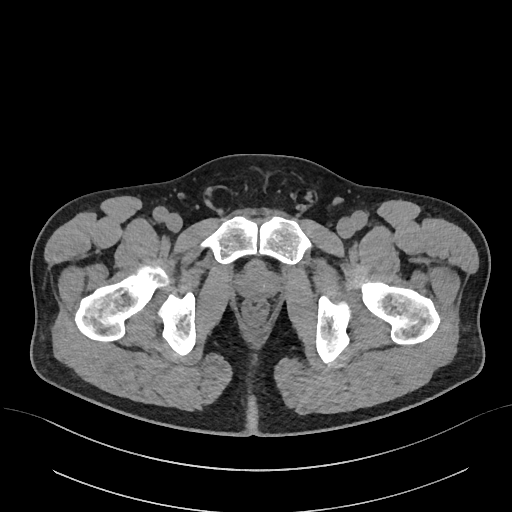 Computed tomography, abdomen. axial plane, index 24. 512x512 px. acquired on SOMATOM Force
<organs><organ name="prostate/uterus" x1="237" y1="267" x2="278" y2="298"/></organs>